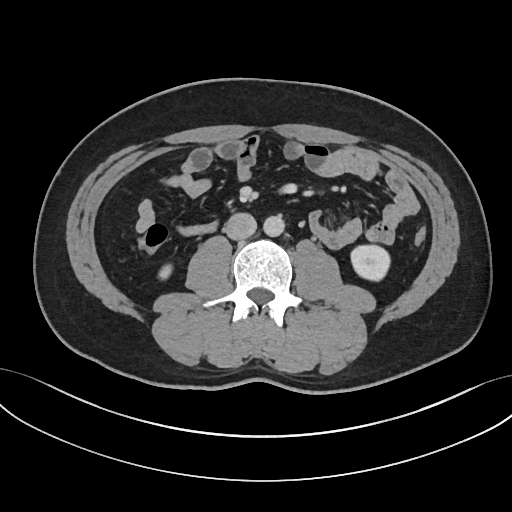
CT, abdomen/pelvis · axial plane, index 142 · soft-tissue window · 512x512 px
{"organs":{"left kidney":[351,244,389,279],"inferior vena cava":[224,213,256,240],"right kidney":[159,264,171,279],"aorta":[263,215,284,237]}}